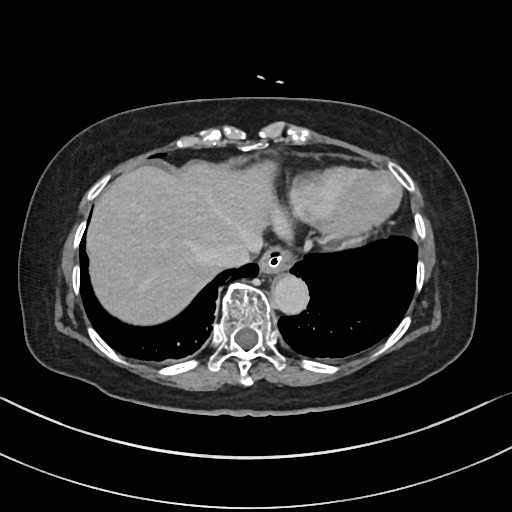
CT, abdomen/pelvis · axial view
Coordinates as <box>x1,y1,x2,y2</box> in pixels.
esophagus: <box>259,245,294,272</box>
liver: <box>85,162,274,325</box>
aorta: <box>271,272,308,312</box>
inferior vena cava: <box>213,244,249,268</box>